Abdominal CT reaching into the chest; this slice is in the chest — Axial slice 120/124 — W/L 400/40 HU
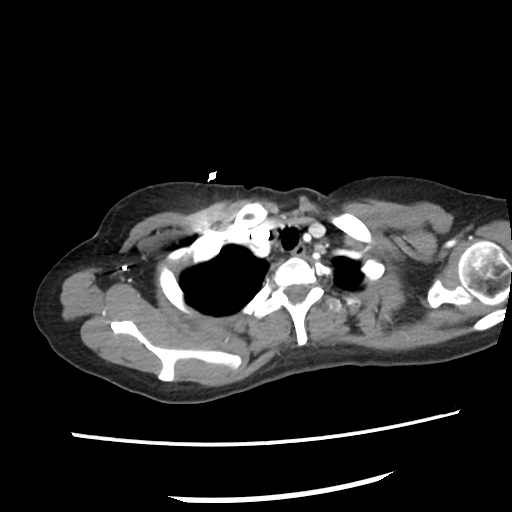 At this level of the chest this dataset labels only the esophagus and the aorta, and each is boxed only where it is labeled; the heart and lungs are never labeled. Bounding boxes as [x1, y1, x2, y2] in pixel coordinates. The annotated organs in this slice are: esophagus at [291, 244, 304, 255].